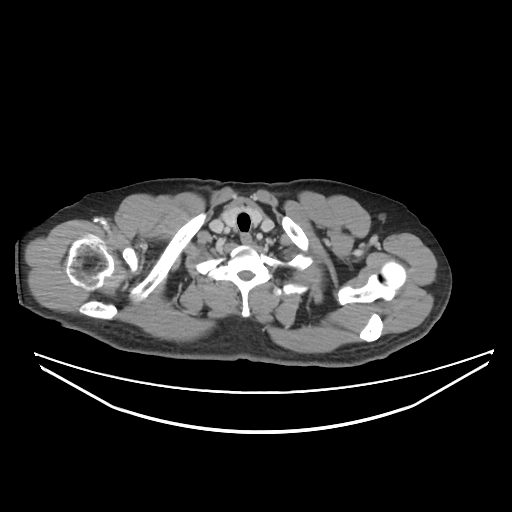

Chest-level slice from an abdominal CT that extends up into the chest · axial view · soft-tissue window · 512x512 px · 40-year-old male patient
At this level of the chest this dataset labels only the esophagus and the aorta, and each is boxed only where it is labeled; the heart and lungs are never labeled.
Bounding boxes in pixels, one row per box: x1, y1 is the top-left corner and x2, y2 the bottom-right.
| organ | x1 | y1 | x2 | y2 |
|---|---|---|---|---|
| esophagus | 240 | 232 | 251 | 243 |